CT abdomen · axial view · soft-tissue window (W 400 / L 40) · acquired on Aquilion ONE
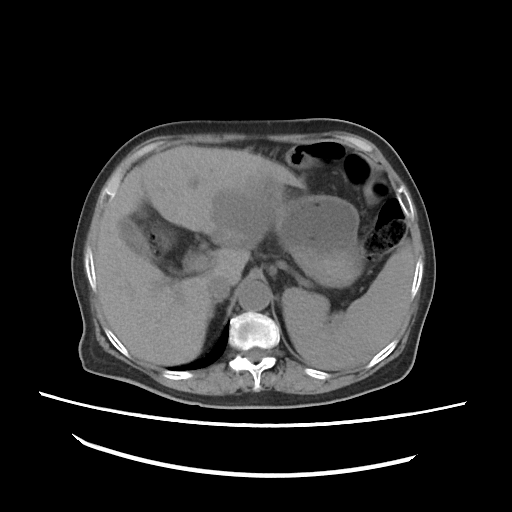 One row per box, in pixels: columns x1 and y1 give the top-left corner, x2 and y2 the bottom-right.
| organ | x1 | y1 | x2 | y2 |
|---|---|---|---|---|
| spleen | 283 | 242 | 415 | 370 |
| gall bladder | 116 | 216 | 181 | 276 |
| liver | 95 | 146 | 302 | 366 |
| stomach | 275 | 192 | 367 | 287 |
| aorta | 238 | 281 | 270 | 310 |
| inferior vena cava | 208 | 277 | 229 | 301 |
| right adrenal gland | 208 | 301 | 215 | 316 |